Abdominal CT — axial view
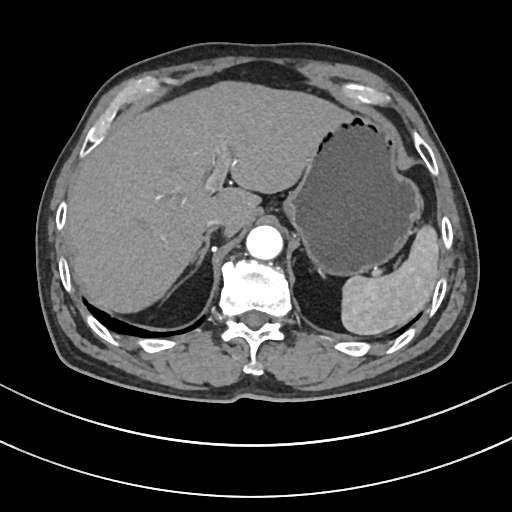

Organ boxes in pixel coordinates; each row gives the top-left (x1, y1) and bottom-right (x2, y2) corners.
| organ | x1 | y1 | x2 | y2 |
|---|---|---|---|---|
| spleen | 342 | 225 | 439 | 335 |
| liver | 67 | 79 | 338 | 311 |
| stomach | 285 | 109 | 421 | 273 |
| aorta | 246 | 225 | 283 | 259 |
| inferior vena cava | 204 | 217 | 224 | 230 |
| right adrenal gland | 197 | 229 | 215 | 267 |